Abdominal CT — axial view — W/L 400/40 HU — 512x512 px
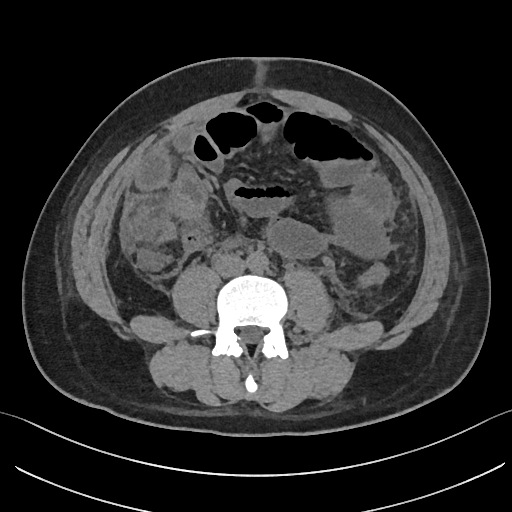
{"organs":{"aorta":[247,252,268,272],"inferior vena cava":[214,254,246,277]}}